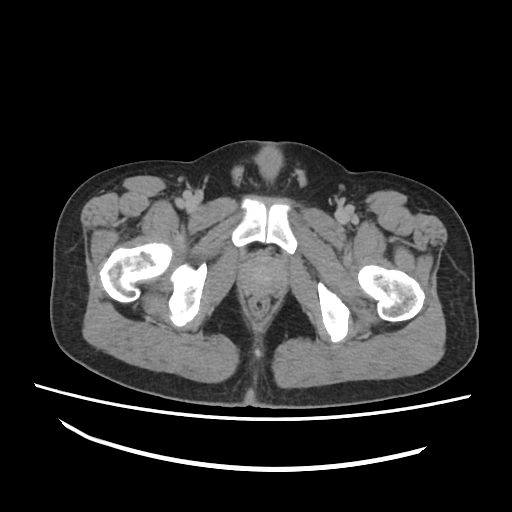
Abdominal CT — axial view — 512x512 px
Bounding boxes in pixels, one row per box: x1, y1 is the top-left corner and x2, y2 the bottom-right.
| organ | x1 | y1 | x2 | y2 |
|---|---|---|---|---|
| prostate/uterus | 241 | 258 | 280 | 291 |